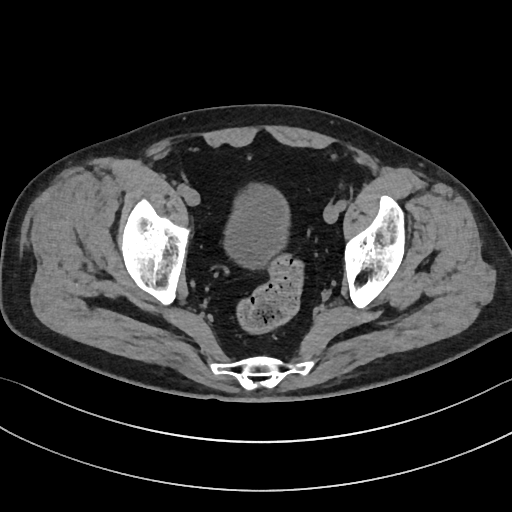 Abdominal CT. Axial slice 44/231. abdomen soft-tissue window
<organs><organ name="bladder" x1="224" y1="184" x2="289" y2="267"/></organs>